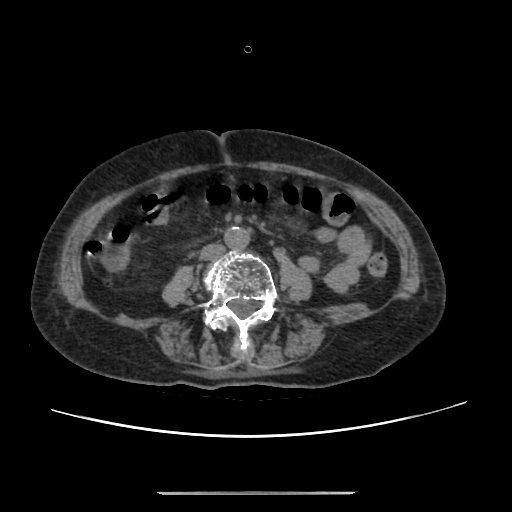

CT, abdomen/pelvis · axial view
Each box given as x1,y1,x2,y2.
inferior vena cava: x1=200, y1=244, x2=225, y2=259
aorta: x1=225, y1=227, x2=250, y2=249